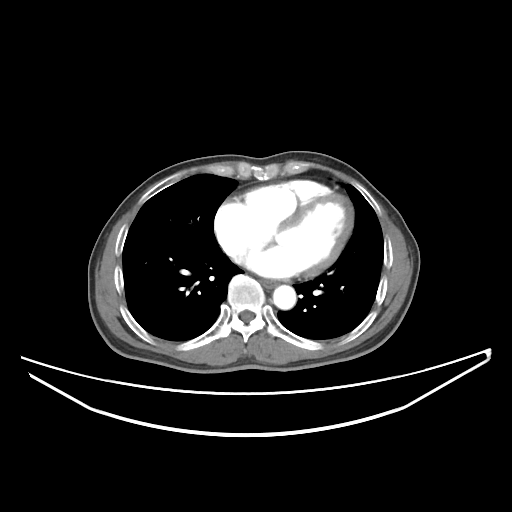 Abdominal CT; this slice is in the lower chest, just above the liver · axial plane, index 85 · 15 organs annotated in this scan (counted over the whole 3D scan, not this slice; an organ is boxed only where this slice passes through it)
The heart and lungs are never labeled in this dataset, so they have no box on this slice.
{"organs":{"esophagus":[262,280,277,288],"aorta":[273,285,296,309]}}